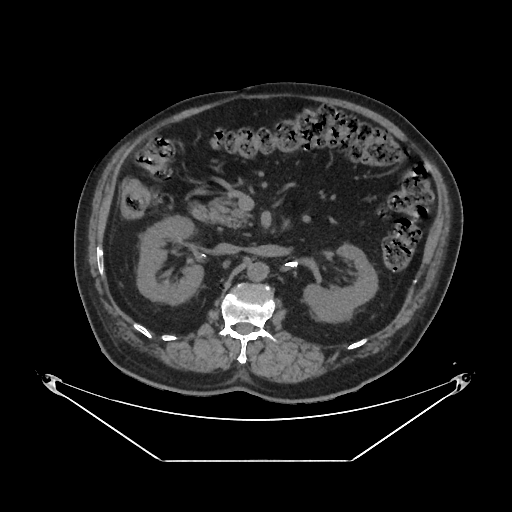 Abdominal CT · axial plane, index 226 · 512x512 px · SOMATOM Force scanner
Boxes: x1:y1:x2:y2 in pixels.
Organ bounding boxes:
- right kidney: 137:215:203:304
- left kidney: 303:244:377:322
- aorta: 247:262:268:281
- inferior vena cava: 215:243:240:253
- pancreas: 209:196:250:228
- duodenum: 192:205:210:221